Abdominal CT · axial view · W/L 400/40 HU
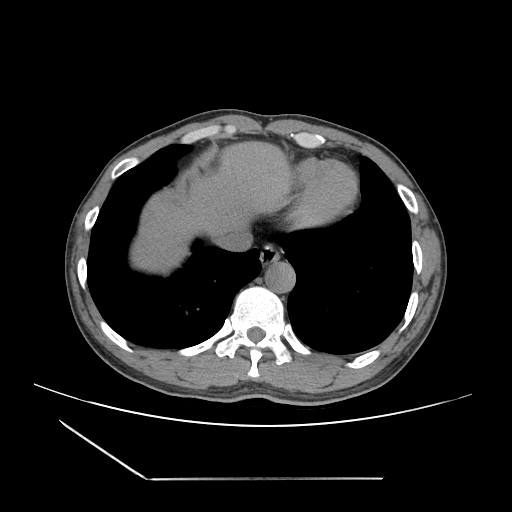

Boxes are (x1, y1, x2, y2) in pixels. Labeled organs on this slice: esophagus at (260, 244, 280, 264), liver at (133, 139, 294, 271), aorta at (264, 261, 295, 293), inferior vena cava at (214, 229, 252, 251).